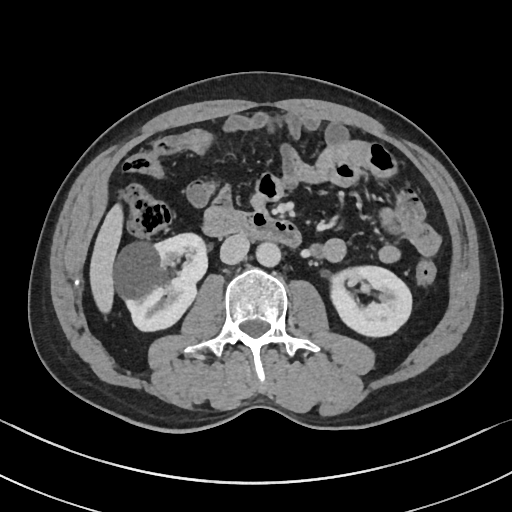

Computed tomography, abdomen · Axial slice 114/291 · soft-tissue window · 512x512 px · 15 organs annotated in this scan (that count is for the whole scan; organs this slice misses have no box)
{"organs":{"liver":[91,202,123,311],"duodenum":[201,212,302,248],"right kidney":[115,234,206,332],"aorta":[256,242,281,267],"inferior vena cava":[220,235,249,264],"left kidney":[331,267,411,338]}}